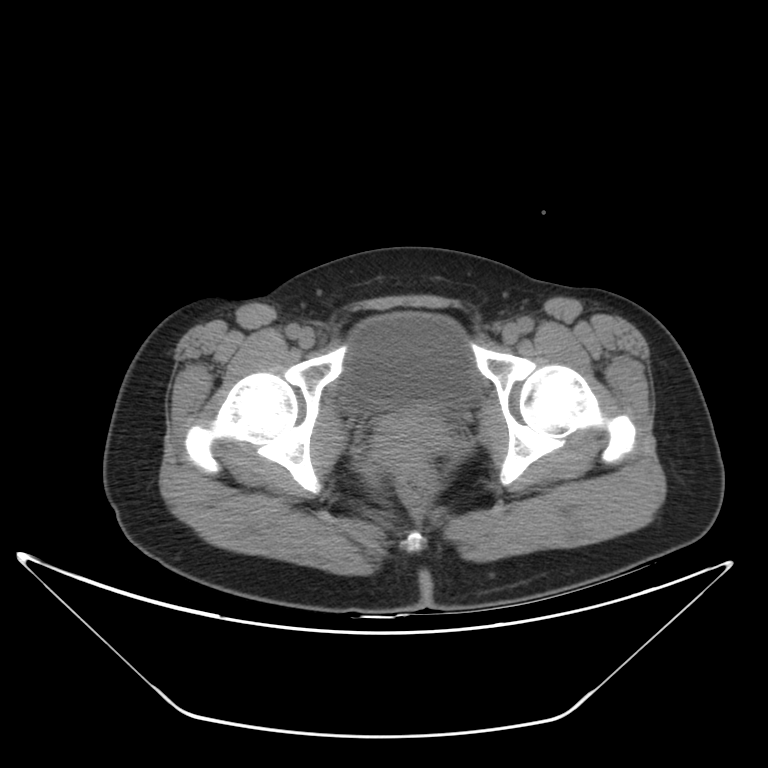
CT, abdomen/pelvis. axial view. W/L 400/40 HU. 15 organs annotated in this scan (counted over the whole 3D scan, not this slice; an organ is boxed only where this slice passes through it)
Bounding boxes as [x1, y1, x2, y2] in pixel coordinates.
bladder: [342, 311, 477, 410]
prostate/uterus: [367, 408, 453, 462]